Computed tomography, abdomen; axial view; 512x512 px
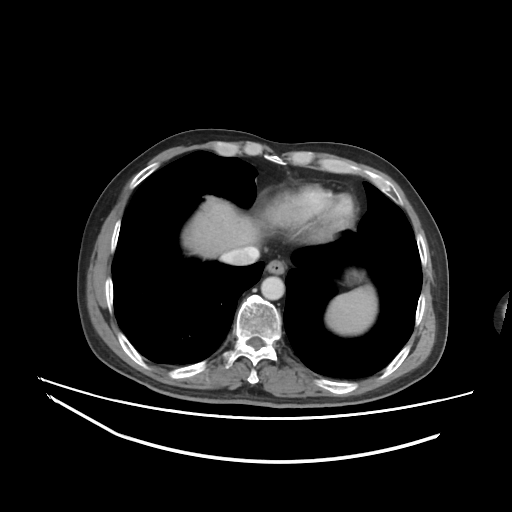

<organs><organ name="spleen" x1="326" y1="285" x2="377" y2="335"/><organ name="esophagus" x1="266" y1="259" x2="285" y2="274"/><organ name="liver" x1="183" y1="196" x2="260" y2="258"/><organ name="aorta" x1="261" y1="276" x2="284" y2="300"/><organ name="inferior vena cava" x1="220" y1="246" x2="259" y2="265"/></organs>